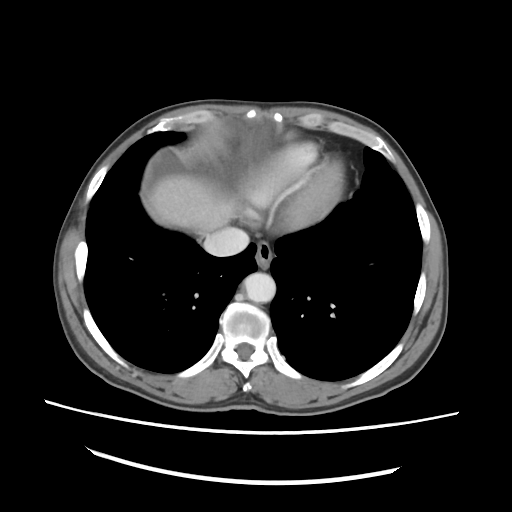 Abdominal CT; axial plane, index 72; 512x512 px
Boxes: x1:y1:x2:y2 in pixels.
esophagus: 255:241:272:267
liver: 148:174:235:235
aorta: 243:272:275:302
inferior vena cava: 203:227:249:256